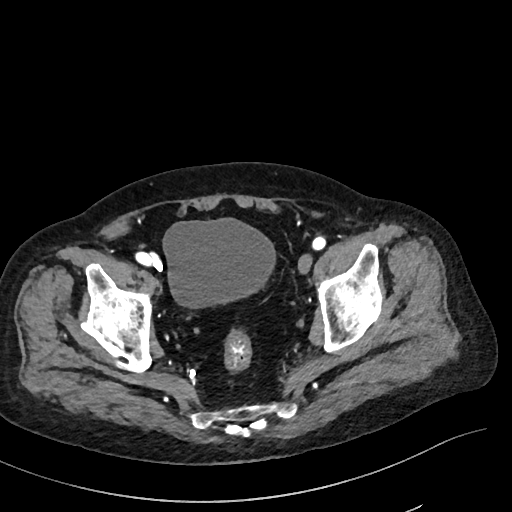
CT abdomen — axial plane, index 49 — abdomen soft-tissue window
<organs><organ name="bladder" x1="162" y1="217" x2="277" y2="309"/></organs>